Abdominal CT; axial view
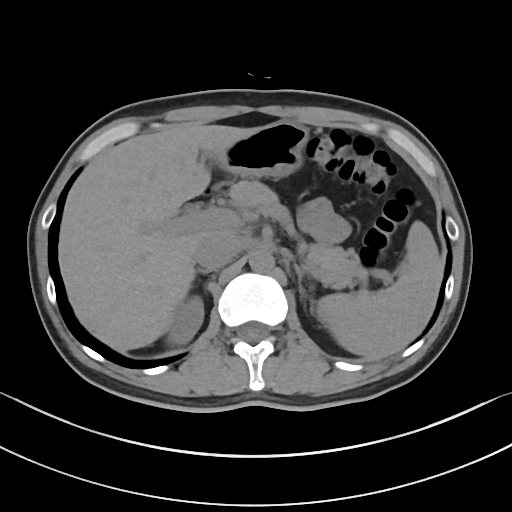
Each box given as x1,y1,x2,y2. Labeled organs on this slice: spleen at x1=318, y1=220, x2=443, y2=358, right kidney at x1=171, y1=297, x2=203, y2=343, liver at x1=58, y1=124, x2=258, y2=350, stomach at x1=215, y1=120, x2=308, y2=178, aorta at x1=249, y1=250, x2=274, y2=272, inferior vena cava at x1=194, y1=232, x2=240, y2=270, pancreas at x1=228, y1=180, x2=367, y2=288, right adrenal gland at x1=194, y1=268, x2=208, y2=278, left adrenal gland at x1=293, y1=262, x2=310, y2=295.